CT abdomen; axial view; 768x768 px; 55-year-old male patient; 15 organs annotated in this scan (that count is for the whole scan; organs this slice misses have no box)
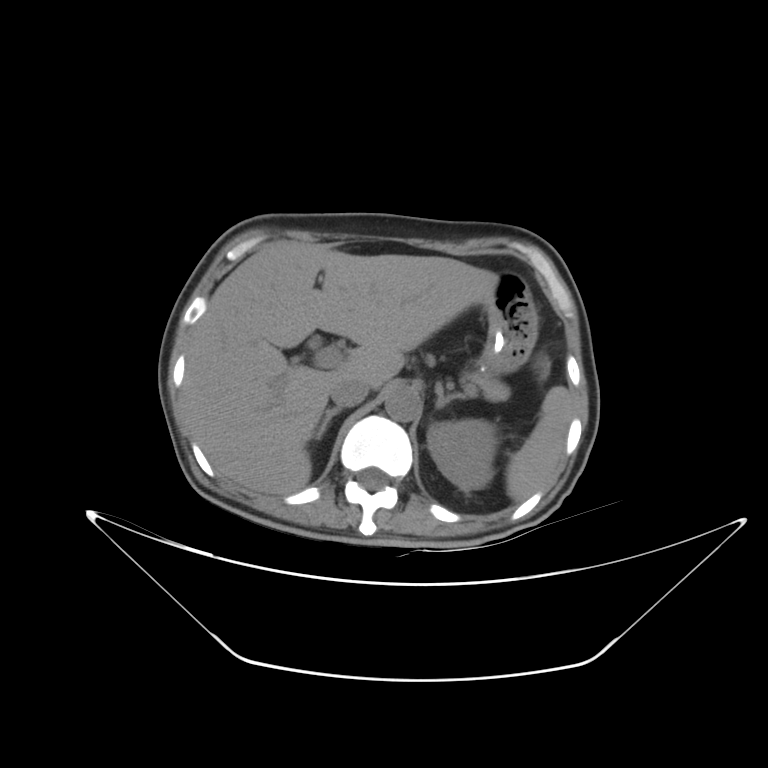

Coordinates as <box>x1,y1,x2,y2</box> in pixels.
liver: <box>181,240,497,495</box>
inferior vena cava: <box>329,377,369,407</box>
aorta: <box>385,386,421,421</box>
right adrenal gland: <box>314,407,341,440</box>
left adrenal gland: <box>435,384,463,408</box>
spleen: <box>506,386,571,502</box>
pancreas: <box>462,371,510,401</box>
stomach: <box>478,273,537,373</box>
left kidney: <box>426,419,497,490</box>